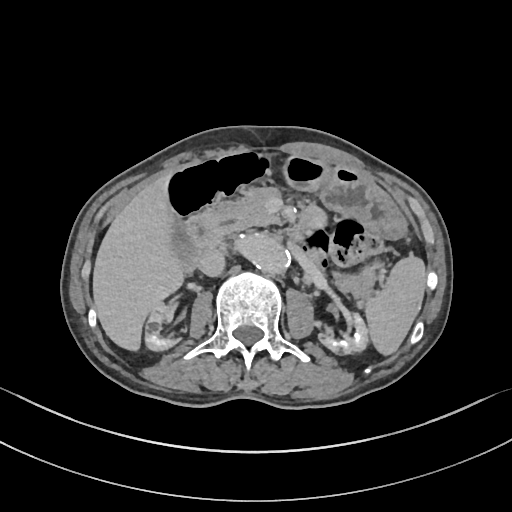
Computed tomography, abdomen · axial view · W/L 400/40 HU · 15 organs annotated in this scan (a whole-scan count: organs this slice does not pass through have no box)
Boxes are (x1, y1, x2, y2) in pixels.
Organ bounding boxes:
- spleen: (364, 255, 425, 355)
- right kidney: (145, 303, 176, 350)
- left kidney: (320, 314, 368, 353)
- gall bladder: (172, 220, 196, 270)
- liver: (93, 177, 184, 350)
- stomach: (283, 155, 405, 239)
- aorta: (234, 236, 289, 273)
- inferior vena cava: (198, 249, 225, 276)
- pancreas: (205, 188, 279, 236)
- duodenum: (186, 213, 221, 255)